CT, abdomen/pelvis. axial view. soft-tissue window (W 400 / L 40). 512x512 px
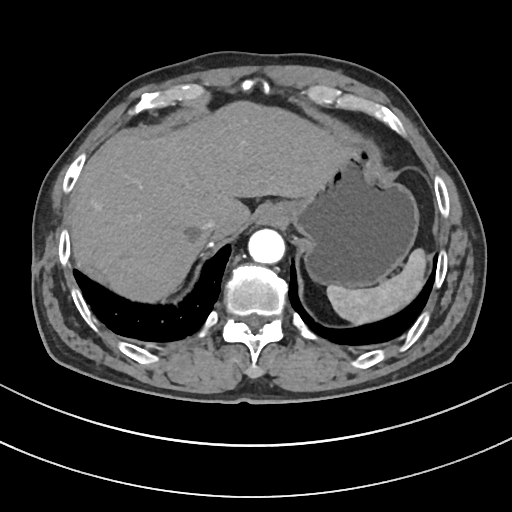
<organs><organ name="spleen" x1="328" y1="248" x2="426" y2="323"/><organ name="esophagus" x1="262" y1="203" x2="285" y2="224"/><organ name="liver" x1="69" y1="101" x2="349" y2="302"/><organ name="stomach" x1="282" y1="144" x2="419" y2="287"/><organ name="aorta" x1="247" y1="228" x2="284" y2="263"/><organ name="inferior vena cava" x1="201" y1="217" x2="219" y2="232"/></organs>